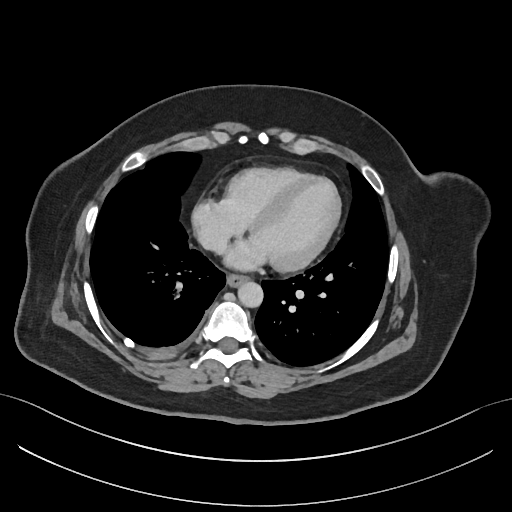 CT of the abdomen reaching into the lower chest, slice just above the liver and spleen. axial view. soft-tissue window
The heart and lungs are never labeled in this dataset, so they have no box on this slice.
Bounding boxes in pixels, one row per box: x1, y1 is the top-left corner and x2, y2 the bottom-right.
| organ | x1 | y1 | x2 | y2 |
|---|---|---|---|---|
| esophagus | 227 | 274 | 248 | 286 |
| aorta | 237 | 281 | 263 | 307 |
| inferior vena cava | 200 | 231 | 225 | 249 |